CT abdomen · axial view · 512x512 px · 15 organs annotated in this scan (a whole-scan count: organs this slice does not pass through have no box)
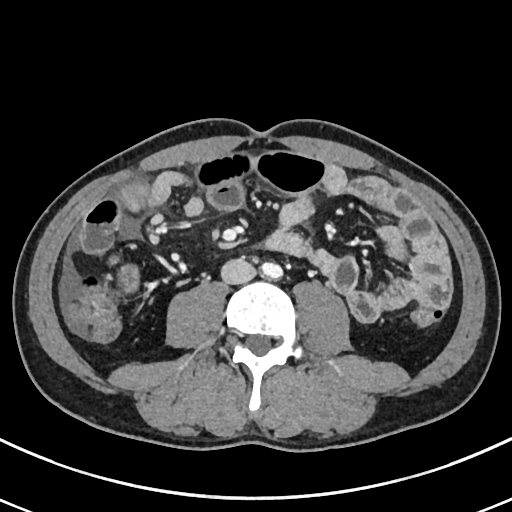

{"organs":{"aorta":[261,262,282,279],"inferior vena cava":[221,258,256,284]}}